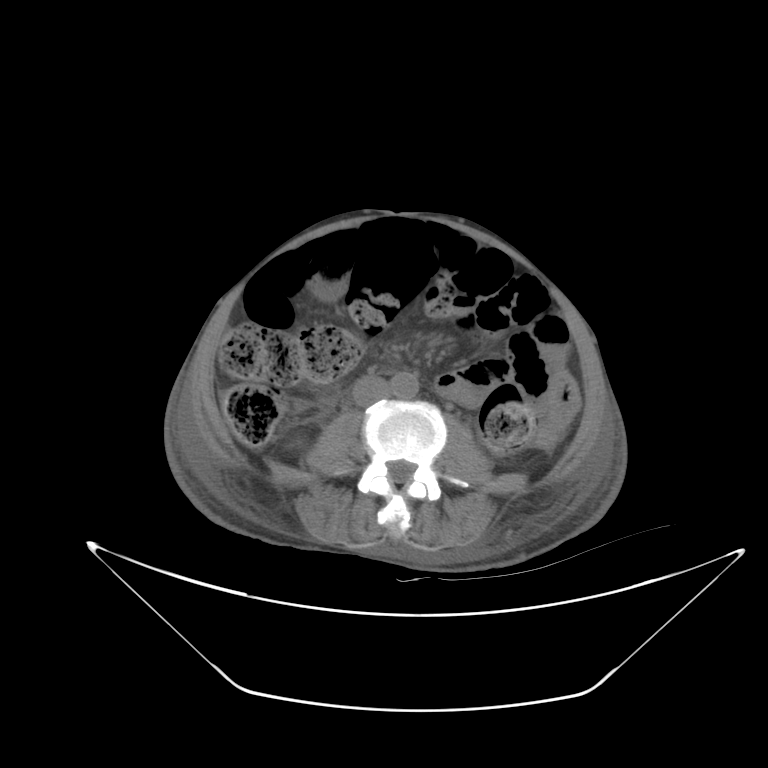
Abdominal CT; Axial slice 50/108; abdomen soft-tissue window; 56-year-old male patient
Box edges are left/top/right/bottom in pixels.
Organ bounding boxes:
- aorta: left=390, top=371, right=418, bottom=398
- inferior vena cava: left=352, top=375, right=390, bottom=406